Abdominal CT · axial view · abdomen soft-tissue window · 512x512 px · scan has 15 labeled organs (that count is for the whole scan; organs this slice misses have no box)
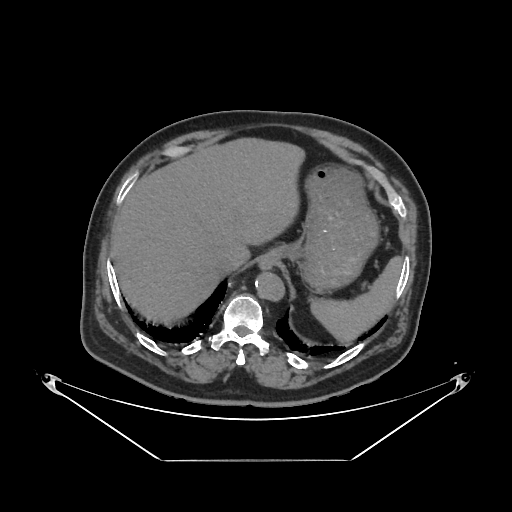

Boxes: x1:y1:x2:y2 in pixels.
spleen: 310:256:402:341
esophagus: 259:258:271:269
liver: 111:138:304:322
stomach: 261:164:378:292
aorta: 255:272:284:300
inferior vena cava: 218:256:239:273